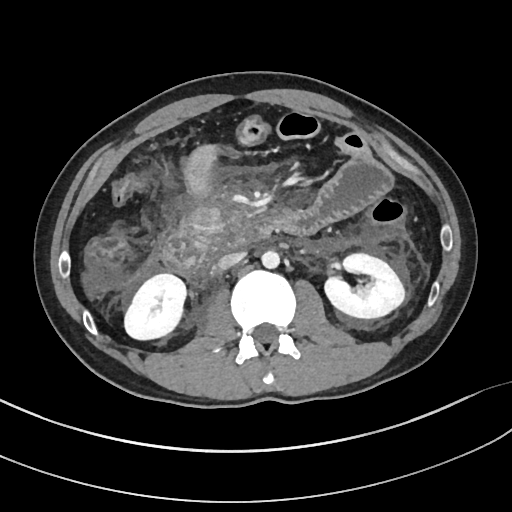 CT abdomen. axial view. abdomen soft-tissue window
<organs><organ name="inferior vena cava" x1="218" y1="252" x2="245" y2="269"/><organ name="pancreas" x1="179" y1="209" x2="225" y2="235"/><organ name="aorta" x1="261" y1="250" x2="279" y2="268"/><organ name="right kidney" x1="124" y1="273" x2="186" y2="339"/><organ name="duodenum" x1="162" y1="217" x2="268" y2="280"/><organ name="left kidney" x1="325" y1="253" x2="404" y2="318"/></organs>